Abdominal CT reaching into the chest; this slice is in the chest. axial view. SOMATOM Force scanner. scan has 15 labeled organs (counted over the whole 3D scan, not this slice; an organ is boxed only where this slice passes through it)
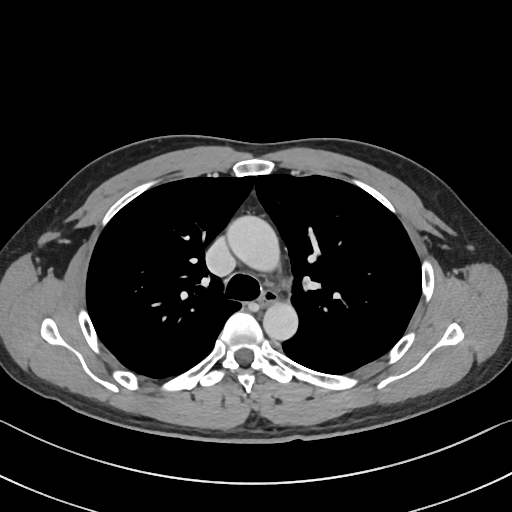

At this level of the chest no structure but the esophagus and the aorta has a label in this dataset, and those two are boxed only where they are labeled.
One row per box, in pixels: columns x1 and y1 give the top-left corner, x2 and y2 the bottom-right.
| organ | x1 | y1 | x2 | y2 |
|---|---|---|---|---|
| esophagus | 259 | 290 | 277 | 306 |
| aorta | 226 | 215 | 279 | 271 |
| aorta | 263 | 301 | 298 | 340 |